CT, abdomen/pelvis — axial view — acquired on Brilliance16
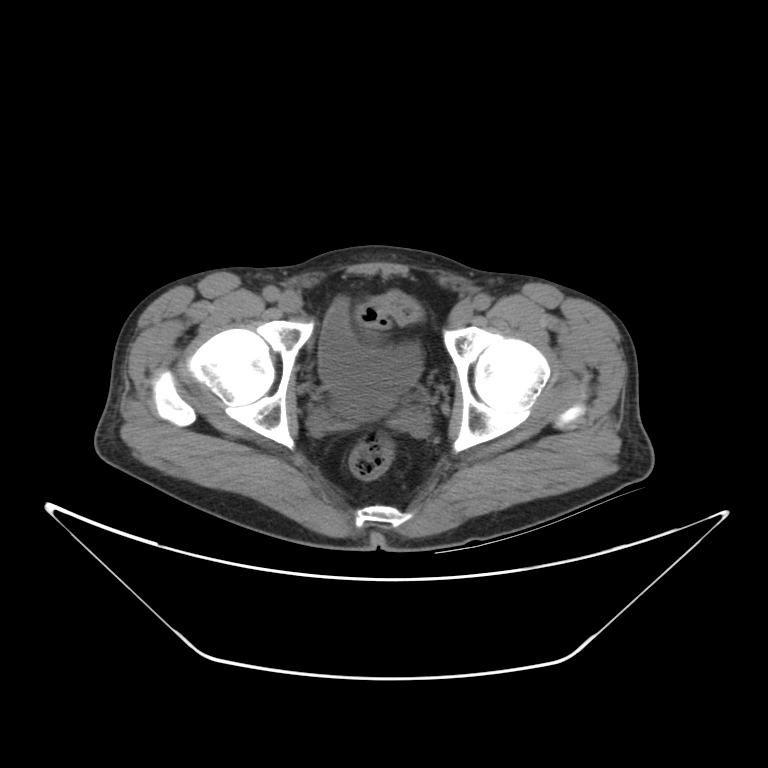

One row per box, in pixels: columns x1 and y1 give the top-left corner, x2 and y2 the bottom-right.
| organ | x1 | y1 | x2 | y2 |
|---|---|---|---|---|
| bladder | 317 | 299 | 424 | 418 |